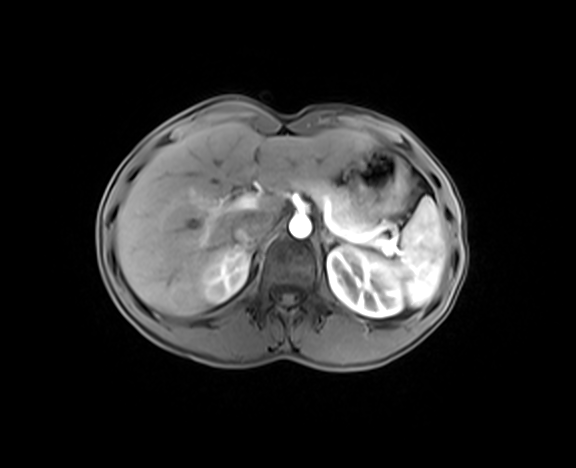
Abdominal MR · Axial slice 45/72 · 576x468 px
{"organs":{"spleen":[389,196,446,306],"right kidney":[199,245,250,304],"left kidney":[327,245,403,316],"liver":[116,122,374,315],"stomach":[350,147,409,218],"aorta":[288,216,312,238],"inferior vena cava":[232,210,271,241],"pancreas":[295,179,375,234],"right adrenal gland":[245,244,254,250],"left adrenal gland":[320,232,333,251]}}